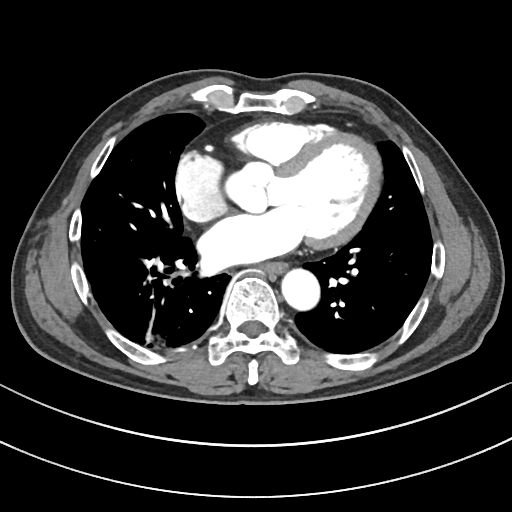
Abdominal CT; this slice is in the lower chest, just above the liver. axial view. soft-tissue window, W/L 400/40. 512x512 px. acquired on SOMATOM Force. scan has 15 labeled organs (that count is for the whole scan; organs this slice misses have no box)
The heart and lungs are never labeled in this dataset, so they have no box on this slice.
Organ boxes in pixel coordinates; each row gives the top-left (x1, y1) and bottom-right (x2, y2) corners.
| organ | x1 | y1 | x2 | y2 |
|---|---|---|---|---|
| esophagus | 264 | 263 | 289 | 275 |
| aorta | 282 | 271 | 320 | 311 |